CT, abdomen/pelvis. axial plane, index 153. abdomen soft-tissue window. 512x512 px. scan has 15 labeled organs (that count is for the whole scan; organs this slice misses have no box)
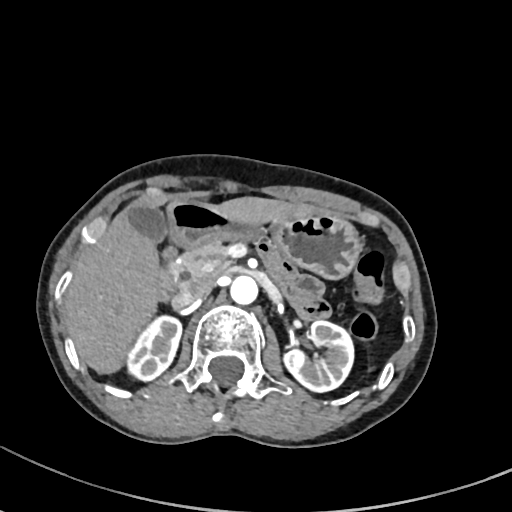
Bounding boxes in pixels, one row per box: x1, y1 is the top-left corner and x2, y2 the bottom-right.
| organ | x1 | y1 | x2 | y2 |
|---|---|---|---|---|
| right kidney | 126 | 316 | 181 | 380 |
| left kidney | 284 | 321 | 353 | 392 |
| gall bladder | 127 | 202 | 169 | 243 |
| liver | 65 | 196 | 316 | 373 |
| stomach | 168 | 200 | 362 | 279 |
| aorta | 230 | 275 | 258 | 304 |
| inferior vena cava | 172 | 277 | 212 | 308 |
| pancreas | 169 | 241 | 226 | 285 |
| duodenum | 157 | 246 | 180 | 300 |